CT, abdomen/pelvis. axial view. soft-tissue window (W 400 / L 40)
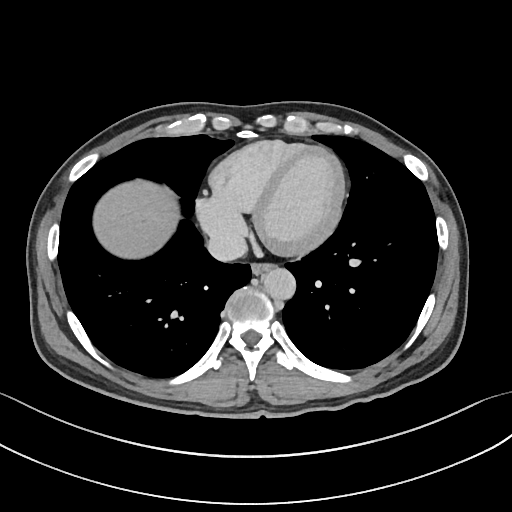

One row per box, in pixels: columns x1 and y1 give the top-left corner, x2 and y2 the bottom-right.
| organ | x1 | y1 | x2 | y2 |
|---|---|---|---|---|
| liver | 93 | 179 | 179 | 258 |
| inferior vena cava | 207 | 231 | 247 | 261 |
| esophagus | 251 | 263 | 273 | 275 |
| aorta | 262 | 267 | 296 | 299 |